Computed tomography, abdomen; axial view; 768x768 px
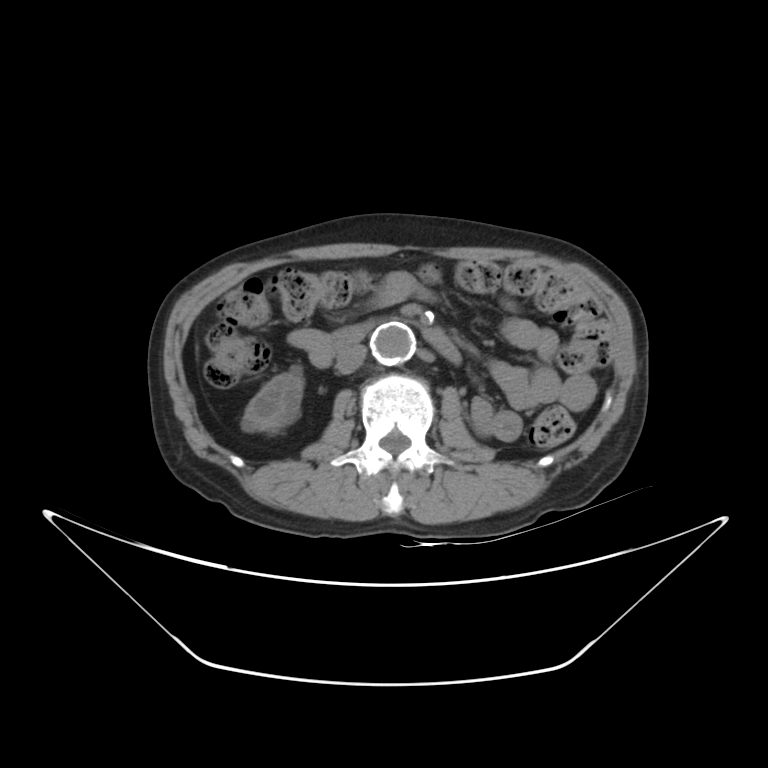

{"organs":{"right kidney":[242,370,303,433],"aorta":[370,325,413,364],"inferior vena cava":[336,343,367,373],"duodenum":[331,319,461,364]}}